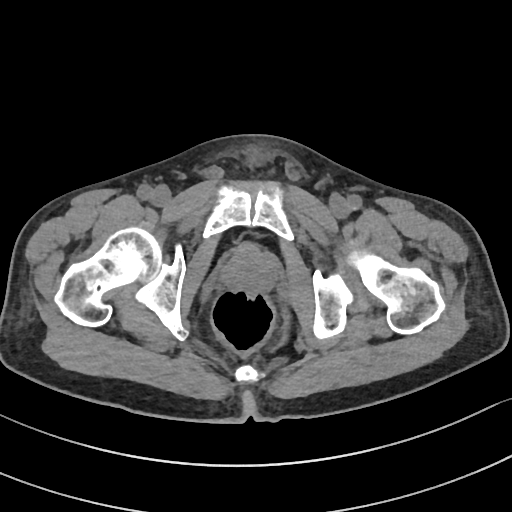

Abdominal CT. axial view. soft-tissue window (W 400 / L 40)
<organs><organ name="prostate/uterus" x1="223" y1="245" x2="273" y2="292"/></organs>